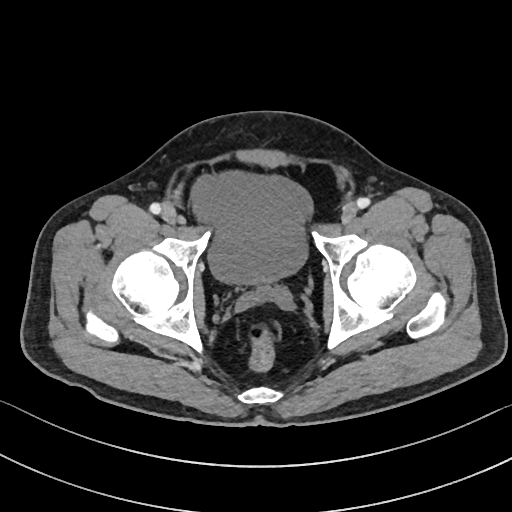

CT, abdomen/pelvis. axial view. scan has 15 labeled organs (that count is for the whole scan; organs this slice misses have no box)
Bounding boxes in pixels, one row per box: x1, y1 is the top-left corner and x2, y2 the bottom-right.
| organ | x1 | y1 | x2 | y2 |
|---|---|---|---|---|
| bladder | 191 | 171 | 312 | 283 |